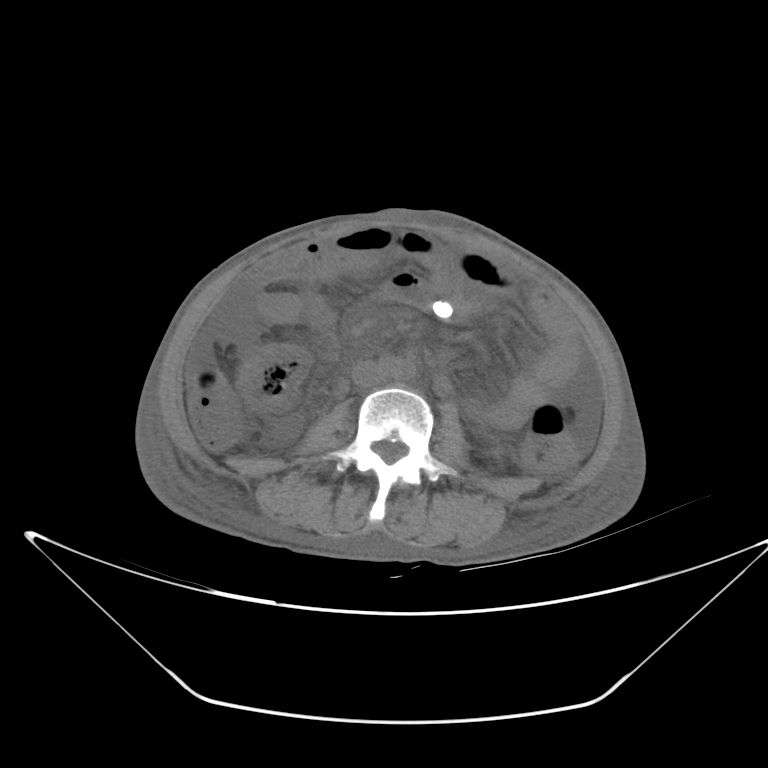

Abdominal CT — axial view — 56-year-old female patient
Boxes: x1:y1:x2:y2 in pixels.
inferior vena cava: 352:361:386:388